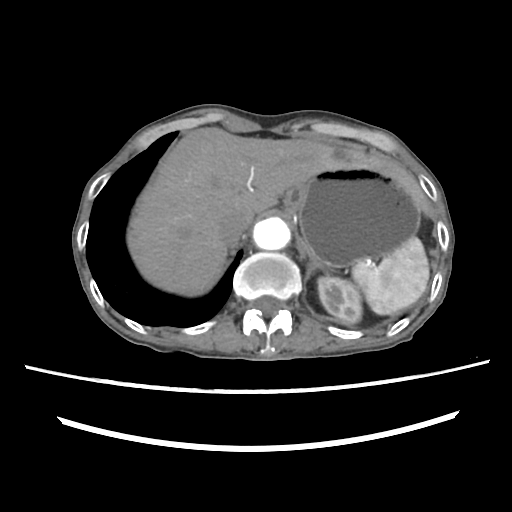
CT, abdomen/pelvis; Axial slice 67/120
Organ boxes in pixel coordinates; each row gives the top-left (x1, y1) and bottom-right (x2, y2) corners.
| organ | x1 | y1 | x2 | y2 |
|---|---|---|---|---|
| spleen | 352 | 237 | 429 | 314 |
| left kidney | 318 | 277 | 361 | 323 |
| esophagus | 284 | 184 | 304 | 210 |
| liver | 127 | 127 | 427 | 296 |
| stomach | 298 | 166 | 421 | 267 |
| aorta | 253 | 217 | 290 | 250 |
| inferior vena cava | 217 | 213 | 247 | 245 |
| left adrenal gland | 303 | 251 | 329 | 280 |